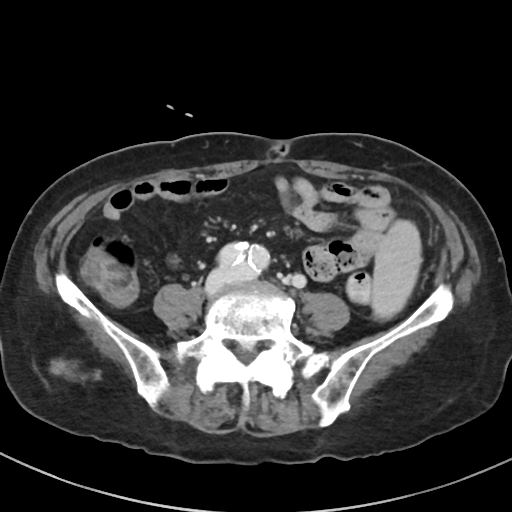 CT, abdomen/pelvis; axial view; 512x512 px
Boxes are (x1, y1, x2, y2) in pixels.
Organ bounding boxes:
- spleen: (373, 220, 421, 315)